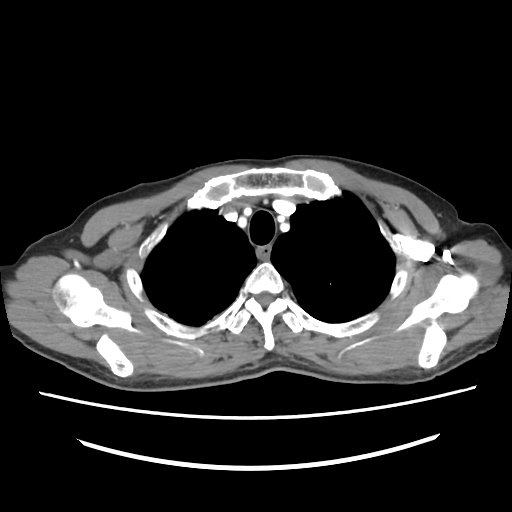

Chest-level CT slice, above the liver and spleen — axial plane, index 122 — W/L 400/40 HU — 512x512 px — 65-year-old male patient
At this level of the chest this dataset labels only the esophagus and the aorta, and each is boxed only where it is labeled; the heart and lungs are never labeled.
<organs><organ name="esophagus" x1="256" y1="245" x2="271" y2="259"/></organs>